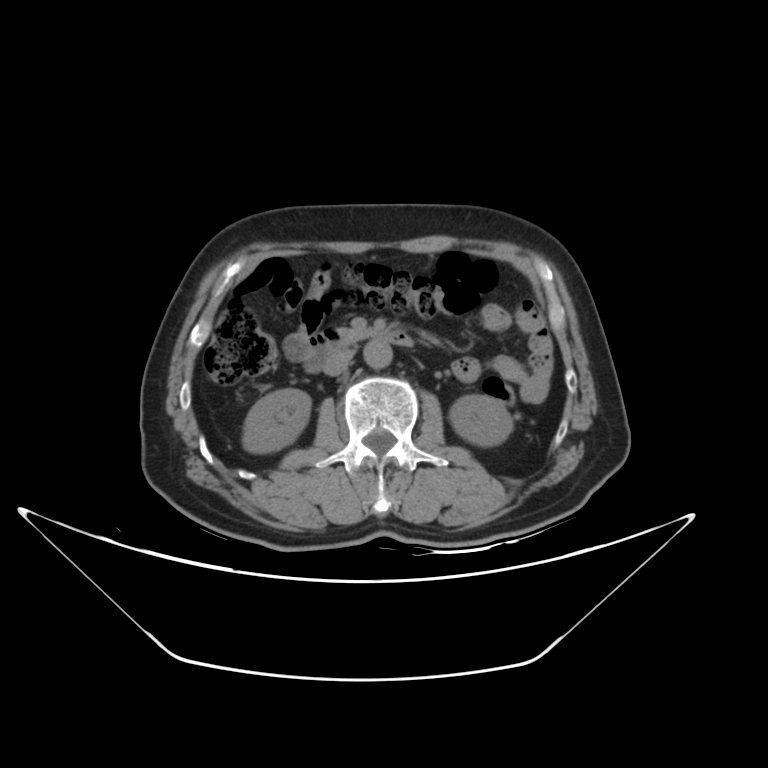

Abdominal CT — axial plane, index 68 — soft-tissue window
One row per box, in pixels: columns x1 and y1 give the top-left corner, x2 and y2 the bottom-right.
| organ | x1 | y1 | x2 | y2 |
|---|---|---|---|---|
| right kidney | 240 | 388 | 310 | 452 |
| left kidney | 449 | 395 | 513 | 444 |
| aorta | 364 | 341 | 391 | 368 |
| inferior vena cava | 325 | 349 | 354 | 374 |
| pancreas | 340 | 325 | 378 | 341 |
| duodenum | 306 | 326 | 411 | 373 |